Abdominal CT. axial view. 768x768 px. 56-year-old female patient
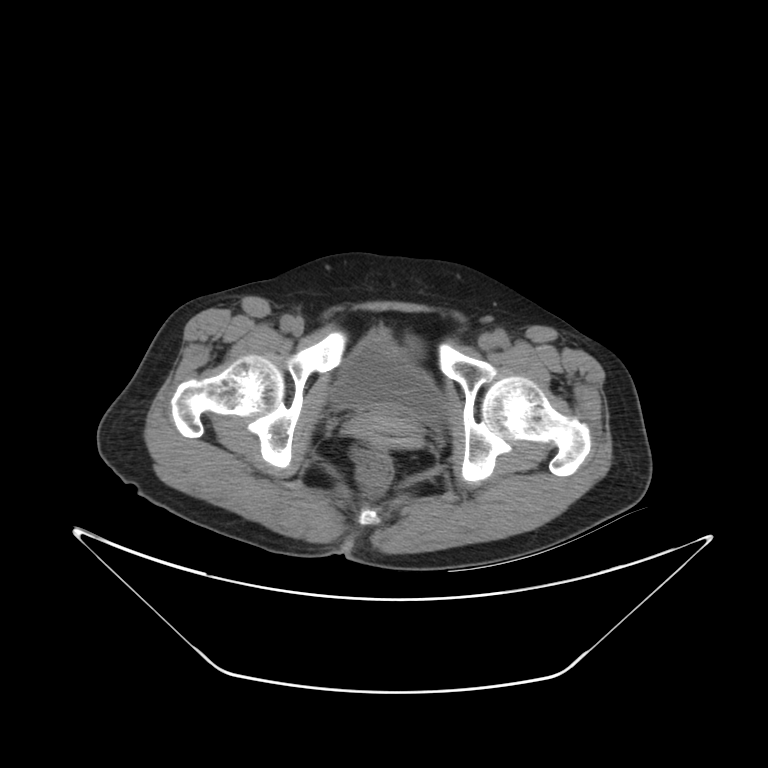 {"organs":{"bladder":[330,331,443,418],"prostate/uterus":[350,414,421,447]}}